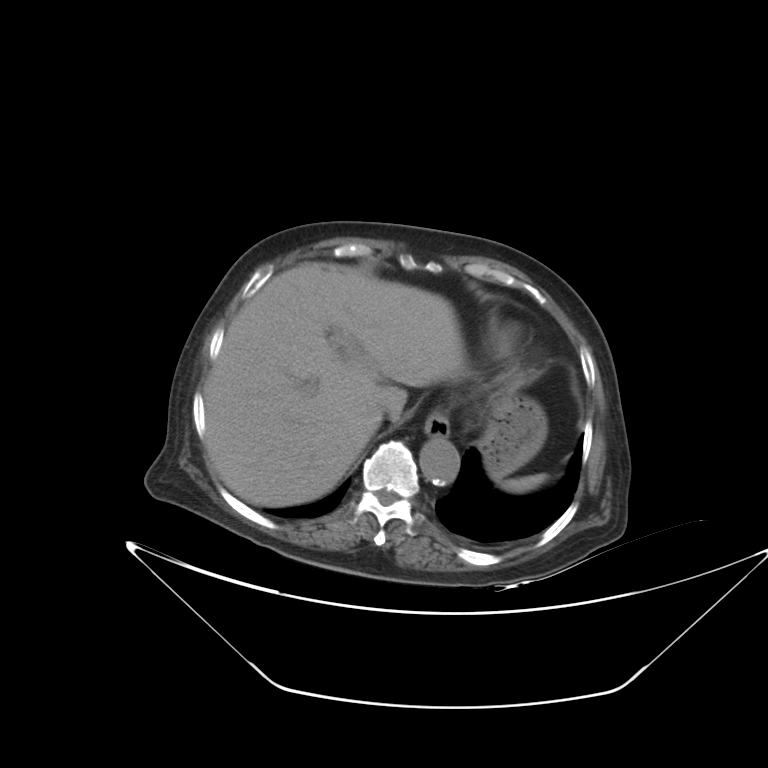

CT, abdomen/pelvis — axial view — 768x768 px — 80-year-old female patient
<organs><organ name="stomach" x1="478" y1="392" x2="547" y2="479"/><organ name="inferior vena cava" x1="365" y1="403" x2="401" y2="420"/><organ name="esophagus" x1="423" y1="412" x2="450" y2="437"/><organ name="aorta" x1="419" y1="438" x2="459" y2="484"/><organ name="spleen" x1="500" y1="473" x2="548" y2="493"/><organ name="liver" x1="203" y1="263" x2="464" y2="506"/></organs>